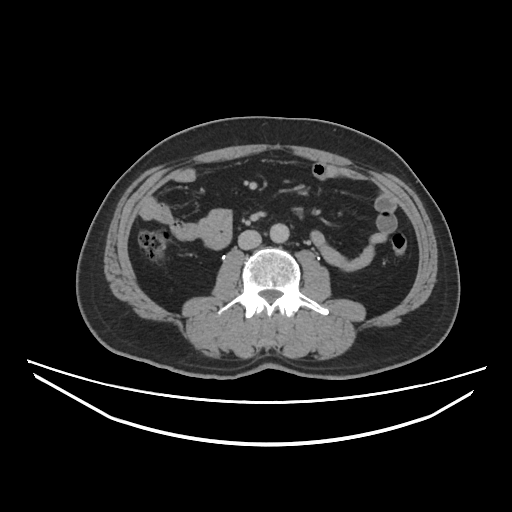

Computed tomography, abdomen · axial view · abdomen soft-tissue window · 512x512 px
Bounding boxes as [x1, y1, x2, y2] in pixel coordinates. The annotated organs in this slice are: aorta at [270, 223, 290, 243], inferior vena cava at [238, 229, 261, 249].